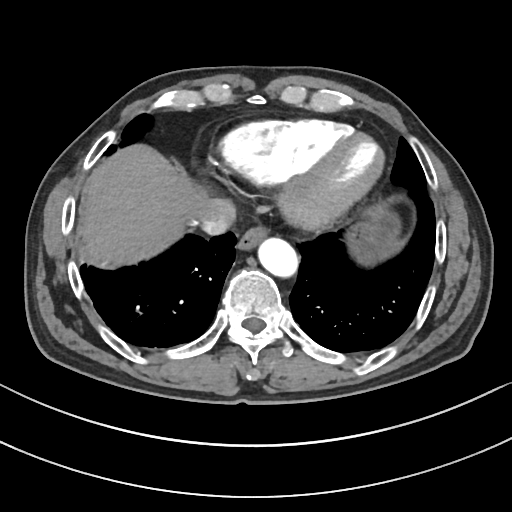

Abdominal CT. axial view. soft-tissue window (W 400 / L 40). 15 organs annotated in this scan (a whole-scan count: organs this slice does not pass through have no box)
{"organs":{"esophagus":[238,224,268,248],"liver":[84,145,206,262],"stomach":[349,212,400,263],"aorta":[257,237,296,274],"inferior vena cava":[196,197,235,235]}}